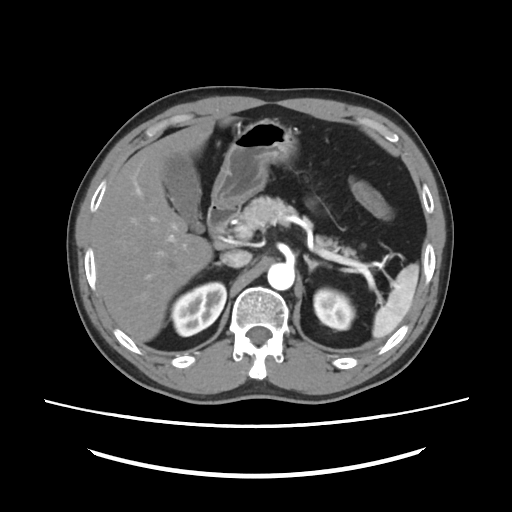

Abdominal CT. axial view
Boxes: x1:y1:x2:y2 in pixels. 12 labeled organs on this slice — aorta at 267:263:294:290; inferior vena cava at 221:250:251:267; pancreas at 236:196:355:256; right kidney at 171:282:226:336; liver at 92:117:232:342; left adrenal gland at 303:254:321:271; gall bladder at 163:153:204:232; duodenum at 207:203:238:240; spleen at 372:263:418:337; left kidney at 314:288:354:329; stomach at 211:119:297:207; right adrenal gland at 214:262:221:266.